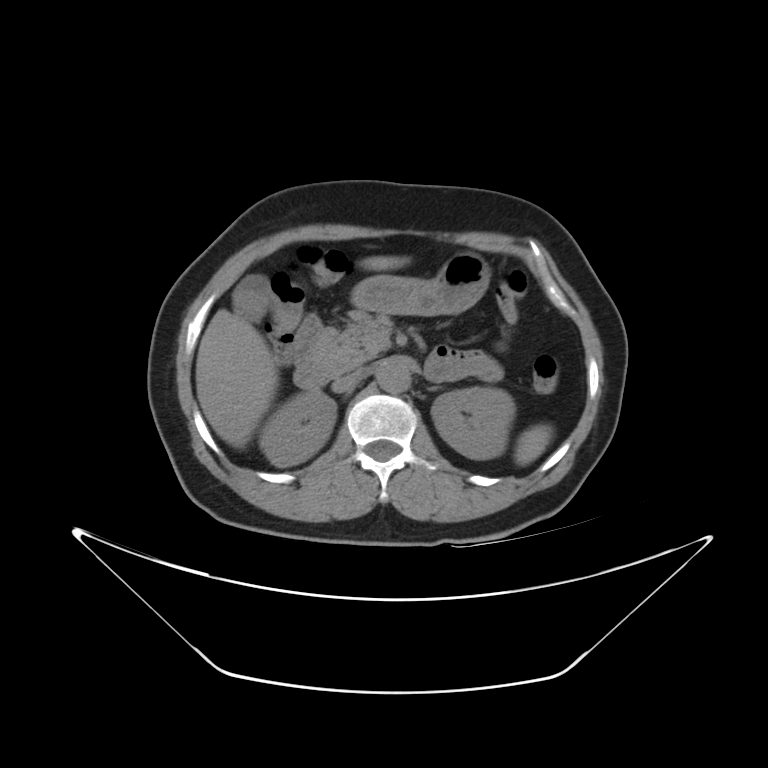 CT abdomen · axial view · 56-year-old female patient · scan has 15 labeled organs (a whole-scan count: organs this slice does not pass through have no box)
<organs><organ name="spleen" x1="513" y1="423" x2="554" y2="464"/><organ name="right kidney" x1="263" y1="390" x2="333" y2="465"/><organ name="left kidney" x1="430" y1="386" x2="516" y2="460"/><organ name="gall bladder" x1="234" y1="278" x2="277" y2="318"/><organ name="liver" x1="193" y1="255" x2="408" y2="443"/><organ name="stomach" x1="352" y1="250" x2="489" y2="316"/><organ name="aorta" x1="373" y1="362" x2="409" y2="392"/><organ name="inferior vena cava" x1="332" y1="372" x2="367" y2="393"/><organ name="pancreas" x1="313" y1="313" x2="394" y2="368"/><organ name="left adrenal gland" x1="424" y1="386" x2="442" y2="389"/><organ name="duodenum" x1="291" y1="312" x2="351" y2="387"/></organs>